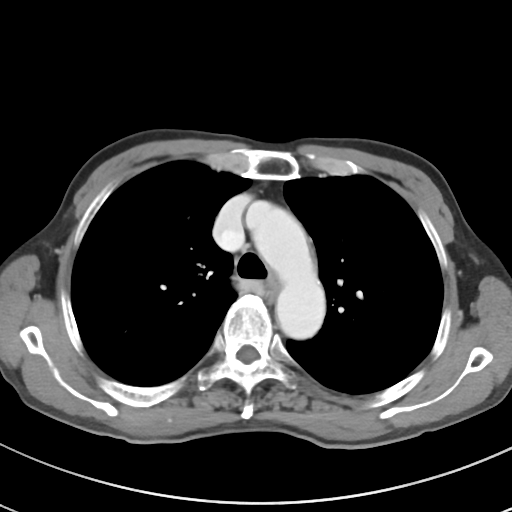
Abdominal CT reaching into the chest; this slice is in the chest — axial view — 512x512 px — 15 organs annotated in this scan (a whole-scan count: organs this slice does not pass through have no box)
At this level of the chest this dataset labels only the esophagus and the aorta, and each is boxed only where it is labeled; the heart and lungs are never labeled. Boxes: x1:y1:x2:y2 in pixels. 2 labeled organs on this slice — esophagus at 265:278:279:297; aorta at 247:201:325:339.